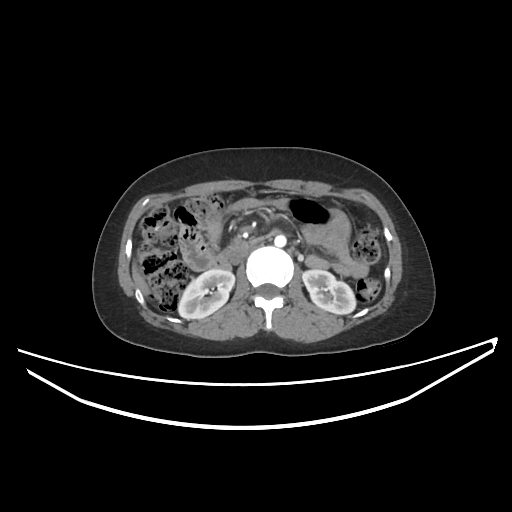

CT, abdomen/pelvis · Axial slice 62/126 · 37-year-old female patient · scan has 15 labeled organs (counted over the whole 3D scan, not this slice; an organ is boxed only where this slice passes through it)
Bounding boxes in pixels, one row per box: x1, y1 is the top-left corner and x2, y2 the bottom-right.
| organ | x1 | y1 | x2 | y2 |
|---|---|---|---|---|
| right kidney | 178 | 269 | 234 | 319 |
| left kidney | 302 | 269 | 355 | 314 |
| liver | 132 | 263 | 148 | 294 |
| aorta | 274 | 235 | 286 | 246 |
| inferior vena cava | 230 | 245 | 250 | 263 |
| duodenum | 209 | 238 | 260 | 268 |